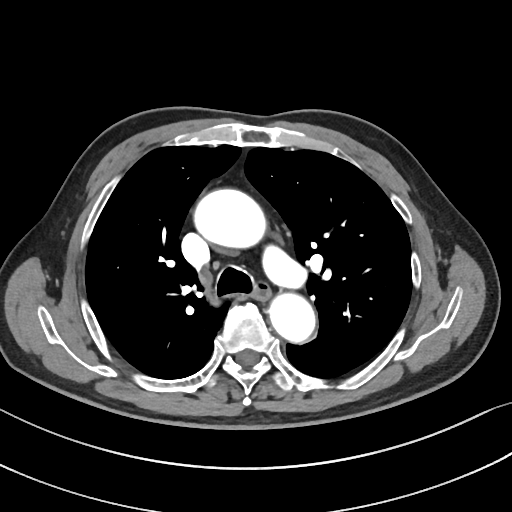

Abdominal CT reaching into the chest; this slice is in the chest; axial view; acquired on SOMATOM Force
On a slice this high in the chest, this dataset labels only the esophagus and the aorta, and each is boxed only where it is labeled; the heart, lungs and other chest structures are not labeled.
Boxes: x1:y1:x2:y2 in pixels.
esophagus: 256:285:271:301
aorta: 192:188:263:247
aorta: 270:295:315:343